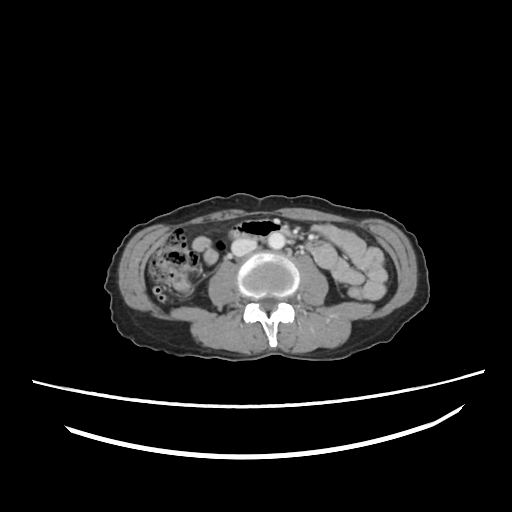
CT abdomen. Axial slice 44/78. soft-tissue window. 512x512 px
Boxes: x1 y1 x2 y2 (pixel coords, space-separated). The annotated organs in this slice are: aorta at 266 231 284 249, inferior vena cava at 232 238 256 256, duodenum at 229 220 281 239.